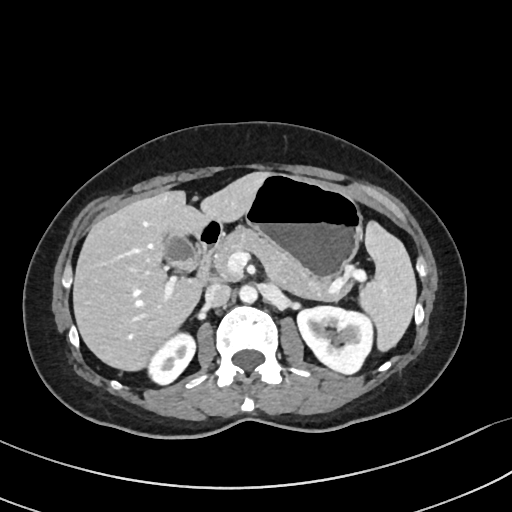
Computed tomography, abdomen — axial plane, index 134 — soft-tissue window (W 400 / L 40)
Boxes are (x1, y1, x2, y2) in pixels.
Organ bounding boxes:
- spleen: (358, 220, 415, 350)
- right kidney: (148, 333, 195, 385)
- left kidney: (297, 306, 374, 373)
- gall bladder: (163, 233, 197, 271)
- liver: (73, 172, 267, 369)
- stomach: (244, 174, 361, 277)
- aorta: (238, 284, 256, 302)
- inferior vena cava: (205, 283, 231, 306)
- pancreas: (212, 227, 356, 300)
- duodenum: (194, 219, 222, 284)